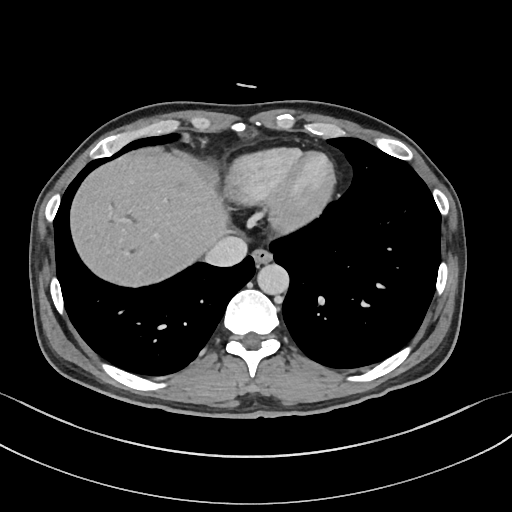
CT abdomen. axial view
Box edges are left/top/right/bottom in pixels. Labeled organs on this slice: esophagus at left=252, top=248, right=272, bottom=266, liver at left=70, top=151, right=226, bottom=286, aorta at left=257, top=264, right=289, bottom=294, inferior vena cava at left=205, top=236, right=247, bottom=266.